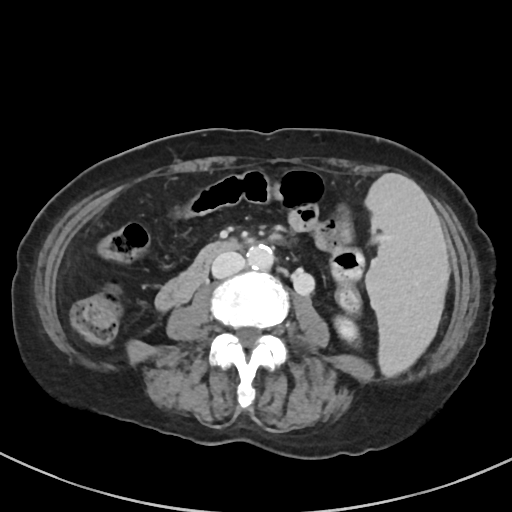

Abdominal CT; axial view; abdomen soft-tissue window
{"organs":{"spleen":[365,173,449,375],"left kidney":[335,317,358,341],"aorta":[247,244,273,269],"inferior vena cava":[211,252,245,278],"duodenum":[153,240,241,308]}}